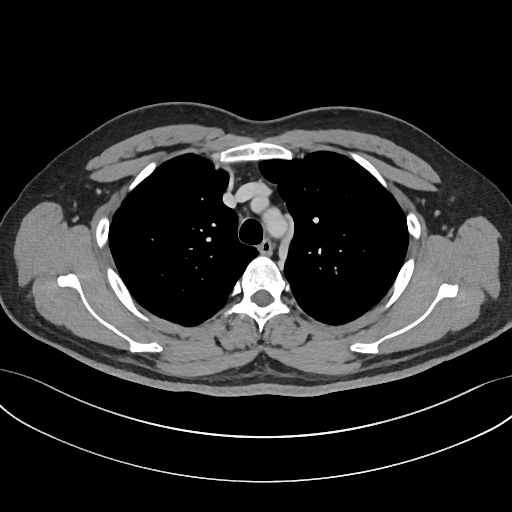 Abdominal CT reaching into the chest; this slice is in the chest — Axial slice 309/345 — 512x512 px — 15 organs annotated in this scan (a whole-scan count: organs this slice does not pass through have no box)
At this level of the chest no structure but the esophagus and the aorta has a label in this dataset, and those two are boxed only where they are labeled.
<organs><organ name="esophagus" x1="258" y1="239" x2="273" y2="254"/><organ name="aorta" x1="263" y1="208" x2="286" y2="236"/></organs>